CT abdomen · Axial slice 40/207 · soft-tissue window · 512x512 px
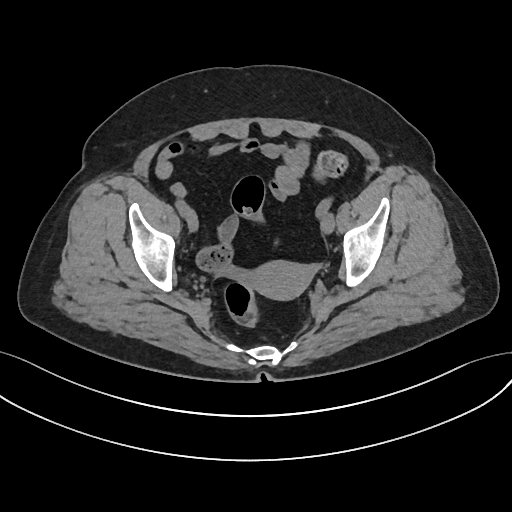 One row per box, in pixels: columns x1 and y1 give the top-left corner, x2 and y2 the bottom-right.
| organ | x1 | y1 | x2 | y2 |
|---|---|---|---|---|
| prostate/uterus | 247 | 259 | 311 | 298 |